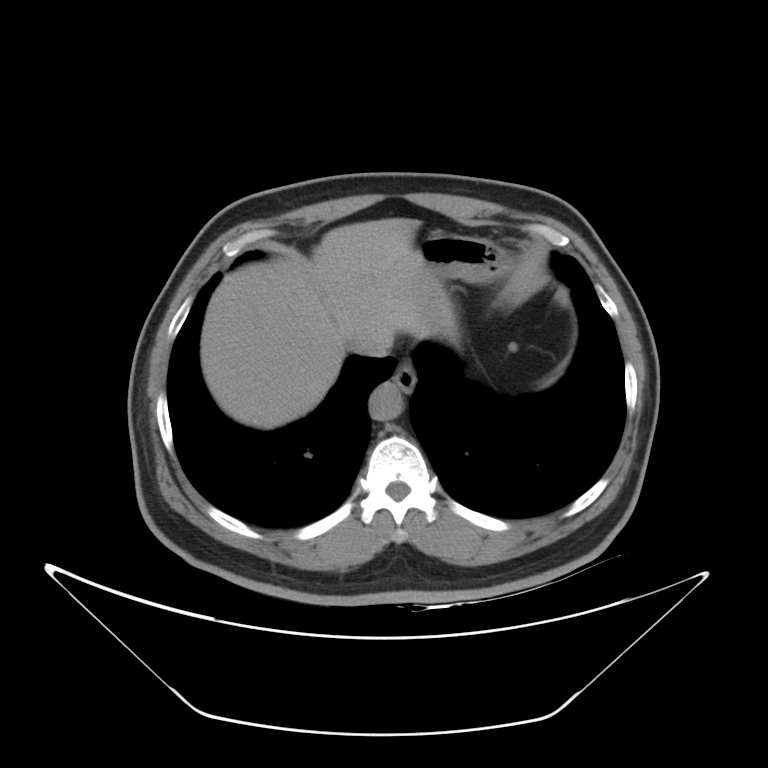

Computed tomography, abdomen — axial view — Brilliance16 scanner
{"organs":{"esophagus":[391,363,417,392],"liver":[201,218,455,428],"stomach":[418,231,511,282],"aorta":[369,382,404,420],"inferior vena cava":[350,337,390,356]}}